Abdominal CT — Axial slice 24/93
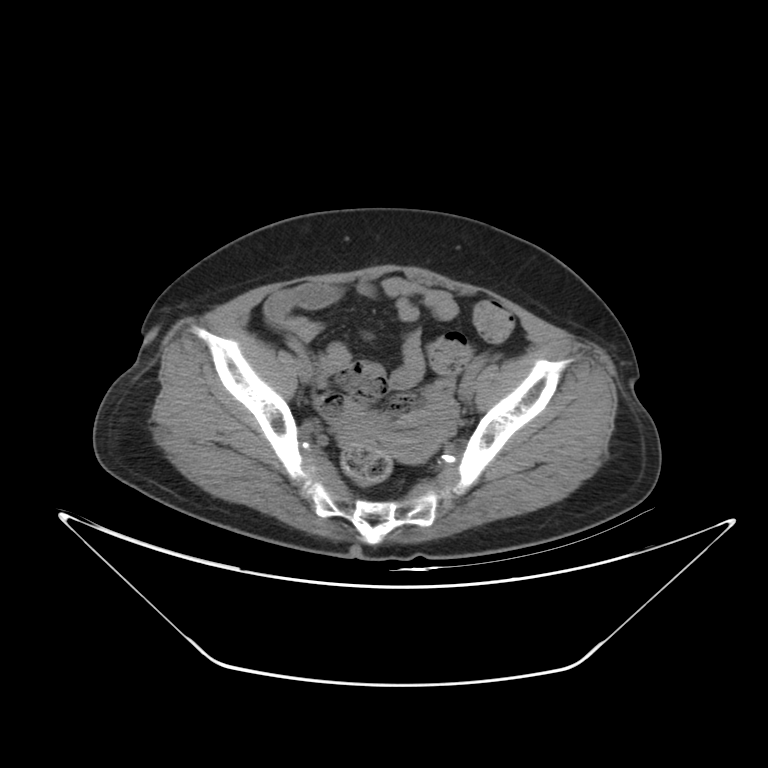 {"organs":{"prostate/uterus":[387,409,451,464]}}